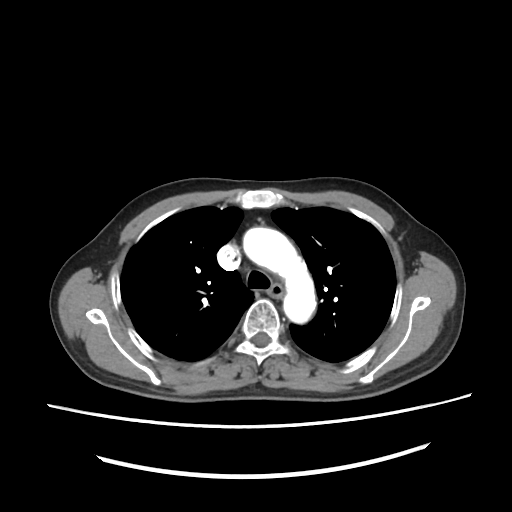

CT of the abdomen extending into the chest, slice through the chest; Axial slice 114/132; 67-year-old male patient; Aquilion ONE scanner; 15 organs annotated in this scan (that count is for the whole scan; organs this slice misses have no box)
At this level of the chest this dataset labels only the esophagus and the aorta, and each is boxed only where it is labeled; the heart and lungs are never labeled.
One row per box, in pixels: columns x1 and y1 give the top-left corner, x2 and y2 the bottom-right.
| organ | x1 | y1 | x2 | y2 |
|---|---|---|---|---|
| esophagus | 269 | 285 | 283 | 298 |
| aorta | 242 | 227 | 315 | 322 |